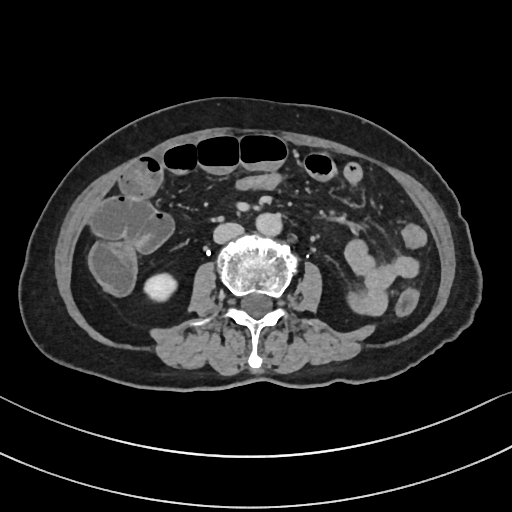
CT abdomen. Axial slice 114/212. soft-tissue window (W 400 / L 40). 512x512 px. acquired on SOMATOM Force. scan has 15 labeled organs (that count is for the whole scan; organs this slice misses have no box)
Coordinates as <box>x1,y1,x2,y2</box> in pixels.
right kidney: <box>144,273,176,301</box>
aorta: <box>255,213,281,235</box>
inferior vena cava: <box>213,223,243,243</box>